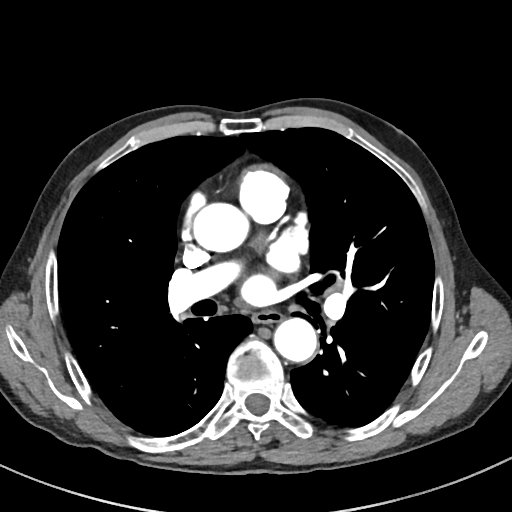

Abdominal CT reaching into the chest; this slice is in the chest; axial view; soft-tissue window; 512x512 px
At this level of the chest no structure but the esophagus and the aorta has a label in this dataset, and those two are boxed only where they are labeled.
{"organs":{"esophagus":[253,309,283,324],"aorta":[[191,202,248,255],[274,318,317,363]]}}